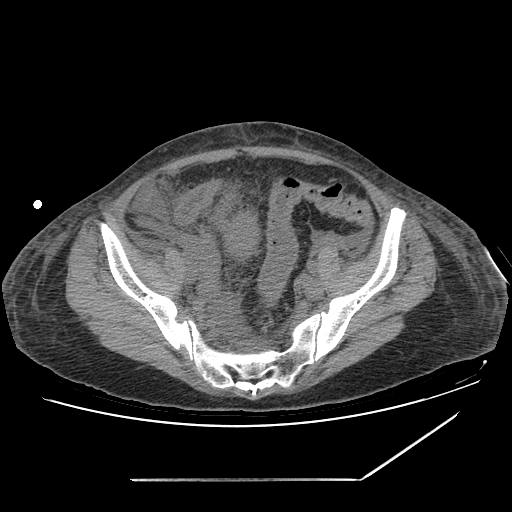
CT, abdomen/pelvis · axial view · W/L 400/40 HU
{"organs":{"prostate/uterus":[225,211,256,258]}}